Abdominal CT · axial view · soft-tissue window (W 400 / L 40) · 62-year-old male patient
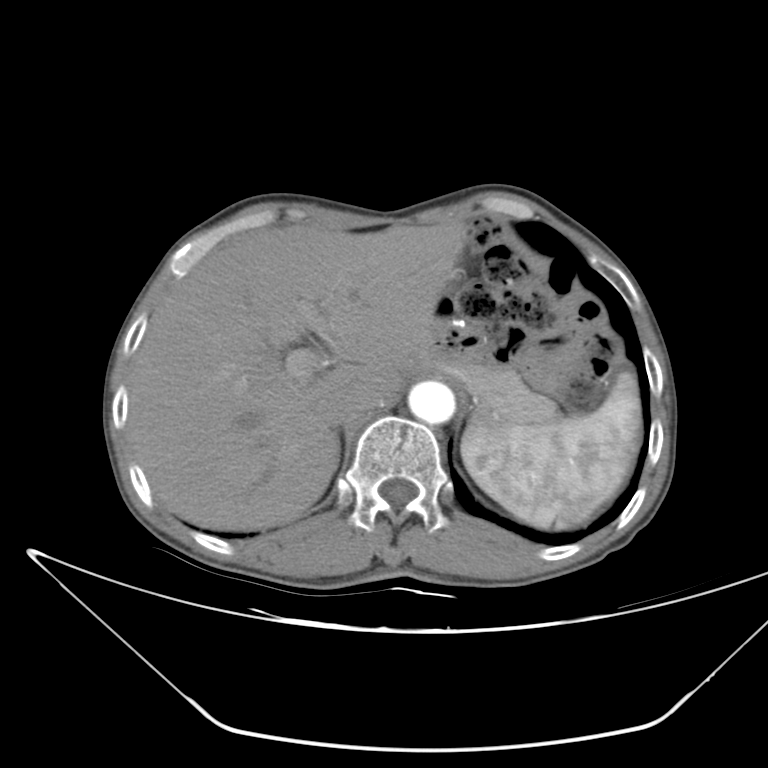 {"organs":{"spleen":[461,371,641,528],"liver":[127,222,467,530],"stomach":[430,332,488,369],"aorta":[408,381,454,423],"inferior vena cava":[318,388,369,426],"pancreas":[425,342,559,424],"right adrenal gland":[336,436,339,449]}}